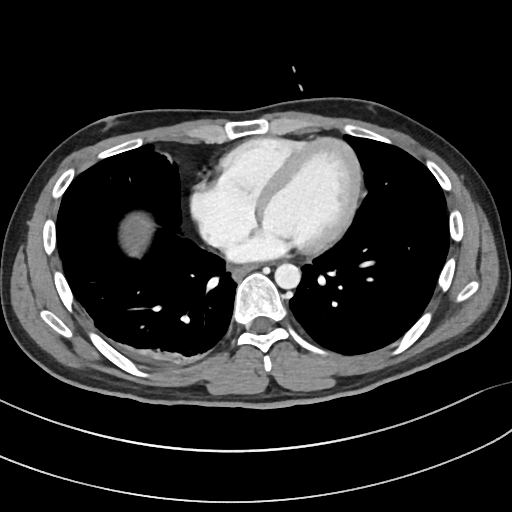

Abdominal CT; this slice is in the lower chest, just above the liver. axial view. soft-tissue window, W/L 400/40. 512x512 px. SOMATOM Force scanner
Of the structures in the chest, this dataset labels only the esophagus, the aorta and the inferior vena cava; the heart and lungs have no label.
One row per box, in pixels: columns x1 and y1 give the top-left corner, x2 and y2 the bottom-right.
| organ | x1 | y1 | x2 | y2 |
|---|---|---|---|---|
| aorta | 275 | 263 | 300 | 289 |
| esophagus | 232 | 267 | 253 | 279 |